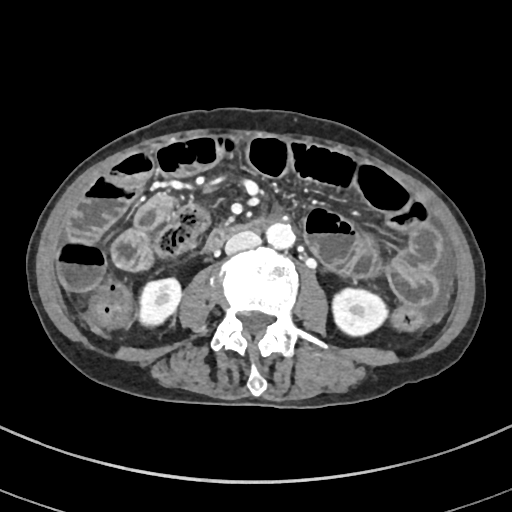 CT, abdomen/pelvis; axial plane, index 97; soft-tissue window
<organs><organ name="right kidney" x1="137" y1="279" x2="180" y2="325"/><organ name="left kidney" x1="332" y1="286" x2="389" y2="335"/><organ name="aorta" x1="267" y1="222" x2="295" y2="250"/><organ name="inferior vena cava" x1="225" y1="230" x2="261" y2="254"/><organ name="duodenum" x1="207" y1="219" x2="264" y2="250"/></organs>